Abdominal CT reaching into the chest; this slice is in the chest · Axial slice 97/124 · W/L 400/40 HU · 73-year-old female patient
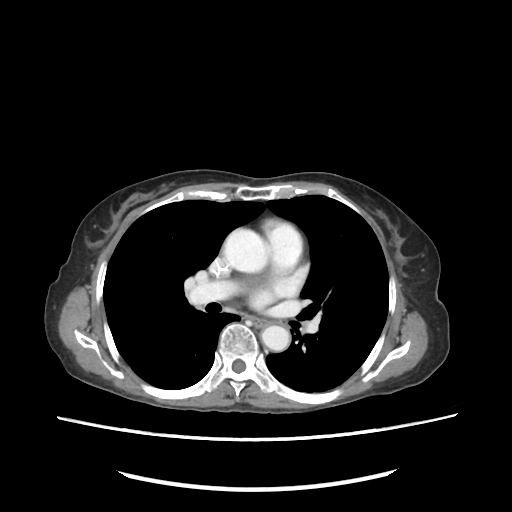

At this level of the chest this dataset labels only the esophagus and the aorta, and each is boxed only where it is labeled; the heart and lungs are never labeled.
Boxes are (x1, y1, x2, y2) in pixels.
Organ bounding boxes:
- esophagus: (255, 319, 257, 320)
- aorta: (225, 229, 267, 270)
- aorta: (262, 326, 288, 350)